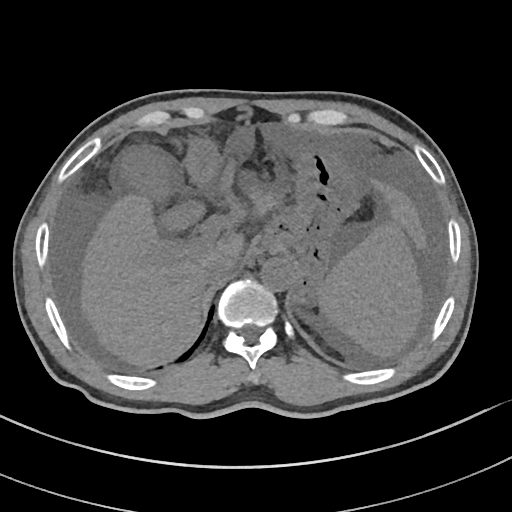
Abdominal CT; axial view; abdomen soft-tissue window; SOMATOM Force scanner; scan has 15 labeled organs (that count is for the whole scan; organs this slice misses have no box)
Each box given as x1,y1,x2,y2.
Organ bounding boxes:
- inferior vena cava: x1=203, y1=254, x2=236, y2=283
- stomach: x1=185, y1=135, x2=365, y2=301
- spleen: x1=319, y1=220, x2=422, y2=357
- liver: x1=79, y1=181, x2=423, y2=366
- aorta: x1=260, y1=257, x2=294, y2=290
- gall bladder: x1=122, y1=150, x2=203, y2=230